Computed tomography, abdomen; Axial slice 150/206; 512x512 px
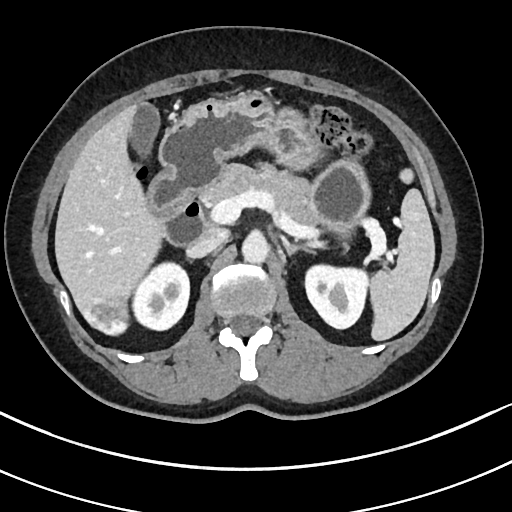 Coordinates as <box>x1,y1,x2,y2</box> in pixels. Labeled organs on this slice: spleen at <box>369,189,434,340</box>, right kidney at <box>132,262,189,330</box>, left kidney at <box>305,264,368,328</box>, gall bladder at <box>129,103,159,155</box>, liver at <box>55,104,164,335</box>, stomach at <box>160,91,370,237</box>, aorta at <box>242,233,269,263</box>, inferior vena cava at <box>186,227,227,257</box>, pancreas at <box>200,163,319,226</box>, left adrenal gland at <box>280,235,315,255</box>, duodenum at <box>146,169,207,245</box>.